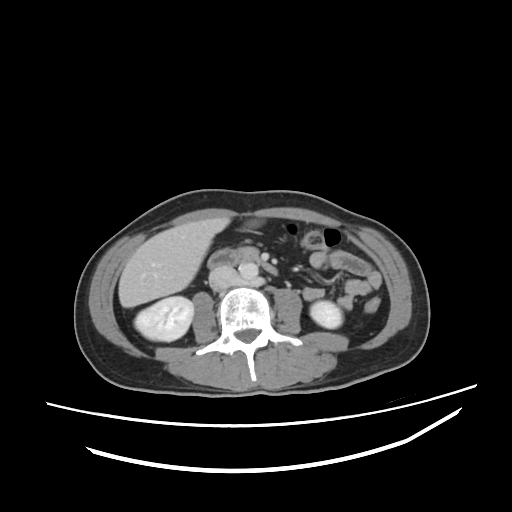 CT abdomen — axial plane, index 55 — soft-tissue window (W 400 / L 40) — 49-year-old male patient
Coordinates as <box>x1,y1,x2,y2</box> in pixels.
Organ bounding boxes:
- left kidney: <box>310,301,342,328</box>
- liver: <box>118,216,230,307</box>
- right kidney: <box>134,296,193,341</box>
- inferior vena cava: <box>209,266,237,290</box>
- pancreas: <box>240,246,259,260</box>
- duodenum: <box>207,247,277,275</box>
- aorta: <box>239,263,258,280</box>